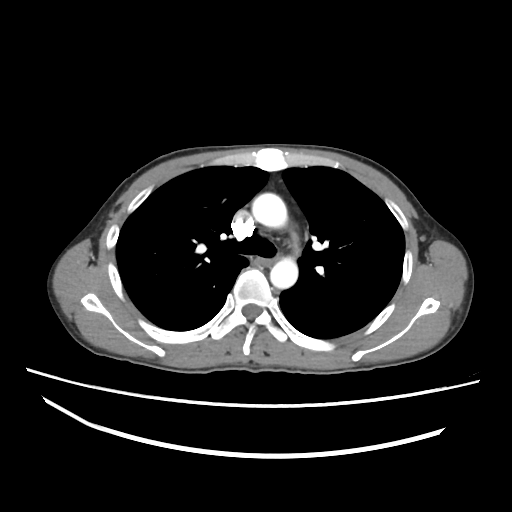
Abdominal CT reaching into the chest; this slice is in the chest · axial view · soft-tissue window (W 400 / L 40) · 512x512 px · 40-year-old male patient · Aquilion ONE scanner · 15 organs annotated in this scan (that count is for the whole scan; organs this slice misses have no box)
On a slice this high in the chest, this dataset labels only the esophagus and the aorta, and each is boxed only where it is labeled; the heart, lungs and other chest structures are not labeled.
<organs><organ name="aorta" x1="252" y1="193" x2="287" y2="228"/><organ name="aorta" x1="270" y1="257" x2="298" y2="288"/></organs>